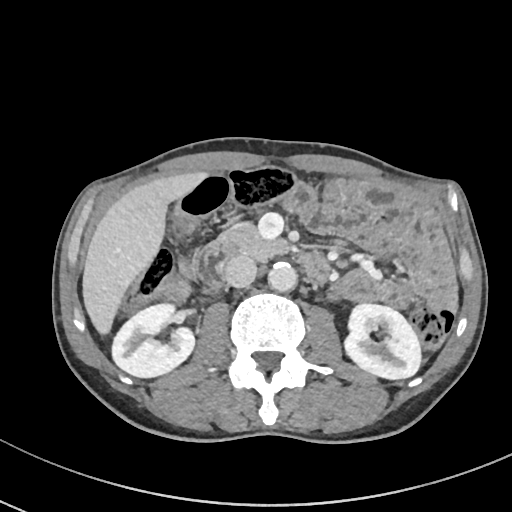

Computed tomography, abdomen; Axial slice 139/306; soft-tissue window; 512x512 px
Bounding boxes as [x1, y1, x2, y2] in pixel coordinates.
right kidney: [112, 302, 195, 378]
left kidney: [343, 304, 421, 380]
liver: [81, 170, 210, 338]
aorta: [268, 262, 297, 292]
inferior vena cava: [223, 254, 256, 287]
pancreas: [214, 222, 291, 260]
duodenum: [195, 244, 330, 287]